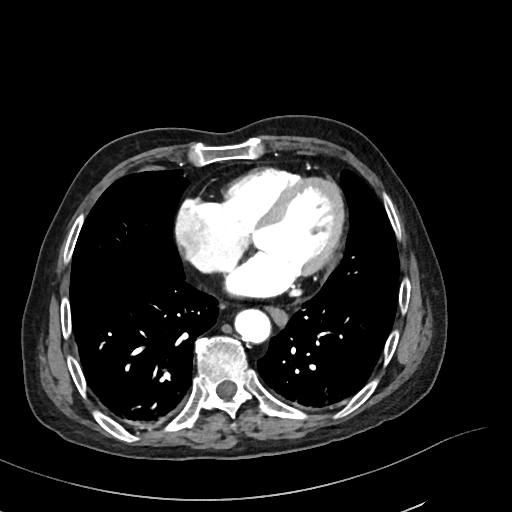 Abdominal CT; this slice is in the lower chest, just above the liver — axial view — 512x512 px — acquired on SOMATOM Force
No part of the heart or lungs is labeled in this dataset, so neither has a box here. Box edges are left/top/right/bottom in pixels. Labeled organs on this slice: esophagus at left=267, top=308, right=286, bottom=325, aorta at left=234, top=309, right=271, bottom=344.